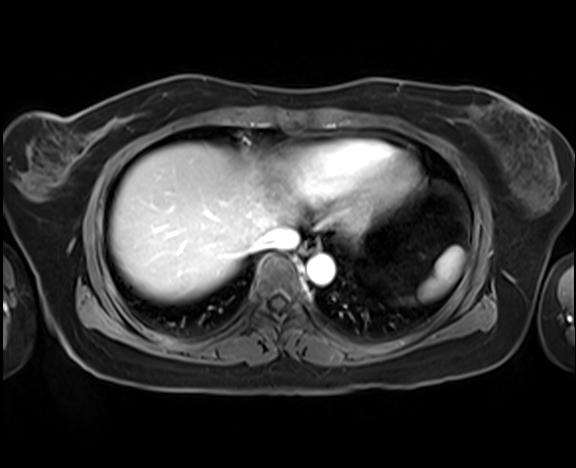

Abdominal MRI — axial view — percentile-normalized
Coordinates as <box>x1,y1,x2,y2</box> in pixels.
aorta: <box>307,253,334,285</box>
inferior vena cava: <box>254,226,298,250</box>
liver: <box>110,143,300,300</box>
spleen: <box>420,247,464,299</box>
esophagus: <box>301,239,320,254</box>